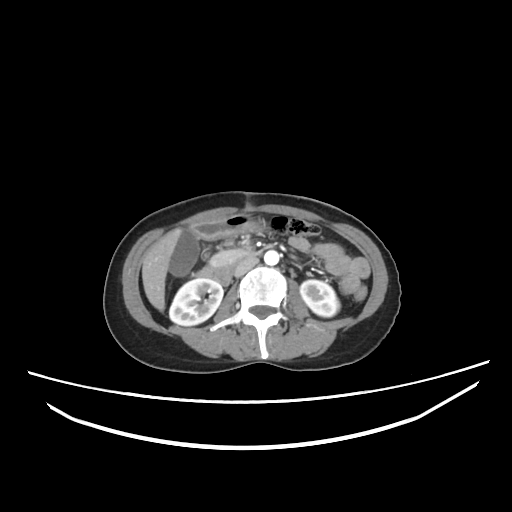

CT abdomen — axial view — abdomen soft-tissue window — 512x512 px — 43-year-old female patient
Box edges are left/top/right/bottom in pixels. The annotated organs in this slice are: right kidney at left=169, top=278, right=223, bottom=325, left kidney at left=300, top=280, right=339, bottom=316, gall bladder at left=169, top=229, right=199, bottom=274, liver at left=142, top=228, right=181, bottom=311, stomach at left=195, top=214, right=261, bottom=240, aorta at left=264, top=250, right=279, bottom=265, inferior vena cava at left=233, top=257, right=258, bottom=276, pancreas at left=210, top=247, right=253, bottom=266, duodenum at left=197, top=252, right=257, bottom=285.